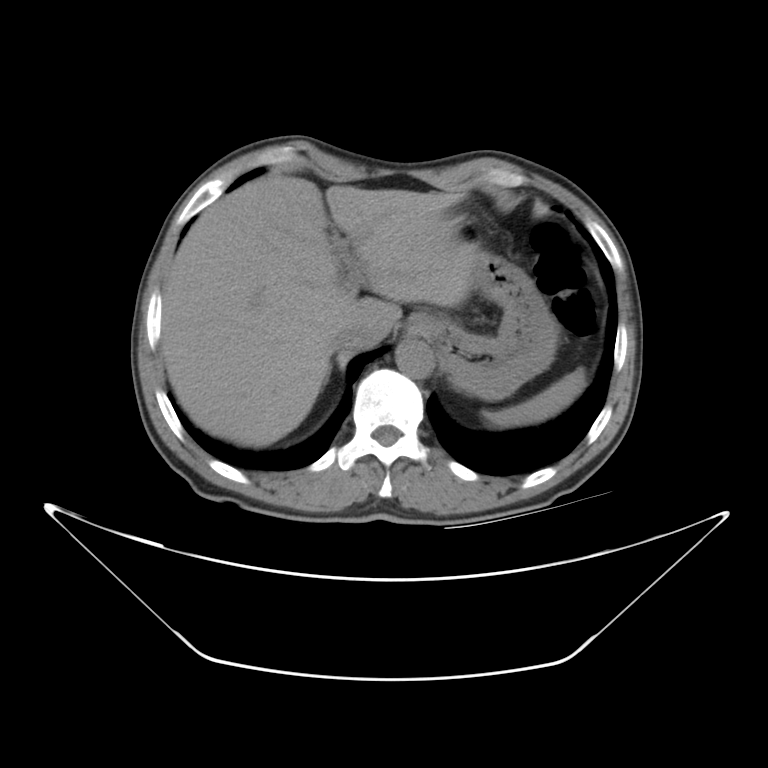 CT abdomen — axial view — 59-year-old male patient — 15 organs annotated in this scan (counted over the whole 3D scan, not this slice; an organ is boxed only where this slice passes through it)
<organs><organ name="aorta" x1="396" y1="336" x2="434" y2="376"/><organ name="inferior vena cava" x1="322" y1="326" x2="368" y2="357"/><organ name="stomach" x1="404" y1="249" x2="554" y2="399"/><organ name="liver" x1="162" y1="168" x2="481" y2="448"/><organ name="right adrenal gland" x1="320" y1="367" x2="333" y2="393"/><organ name="spleen" x1="482" y1="369" x2="588" y2="429"/></organs>